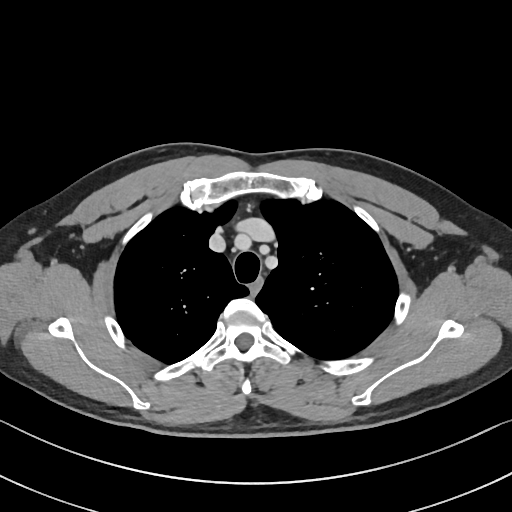
Abdominal CT reaching into the chest; this slice is in the chest. axial view. soft-tissue window (W 400 / L 40). 512x512 px
At this level of the chest this dataset labels only the esophagus and the aorta, and each is boxed only where it is labeled; the heart and lungs are never labeled. Boxes: x1:y1:x2:y2 in pixels. Labeled organs on this slice: esophagus at 250:278:264:296.